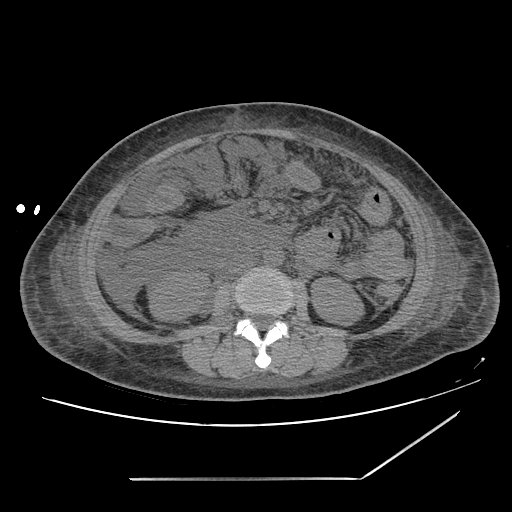 Computed tomography, abdomen. axial view. W/L 400/40 HU. acquired on SOMATOM Force
One row per box, in pixels: columns x1 and y1 give the top-left corner, x2 and y2 the bottom-right.
| organ | x1 | y1 | x2 | y2 |
|---|---|---|---|---|
| right kidney | 148 | 271 | 207 | 321 |
| left kidney | 311 | 277 | 363 | 325 |
| aorta | 263 | 249 | 283 | 266 |
| inferior vena cava | 229 | 255 | 255 | 273 |